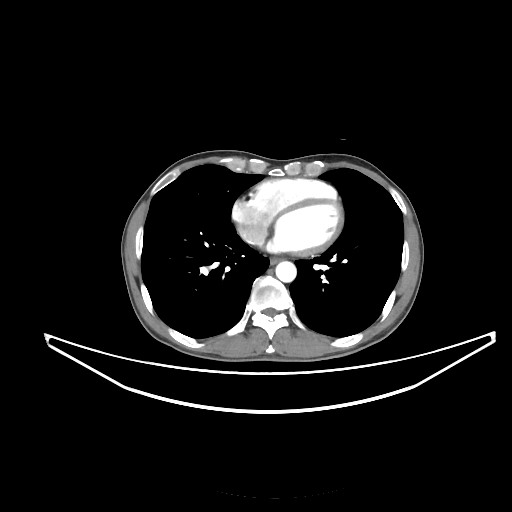

Abdominal CT; this slice is in the lower chest, just above the liver; axial view; soft-tissue window (W 400 / L 40); 512x512 px; 15 organs annotated in this scan (a whole-scan count: organs this slice does not pass through have no box)
The heart and lungs are never labeled in this dataset, so they have no box on this slice.
<organs><organ name="esophagus" x1="270" y1="258" x2="279" y2="263"/><organ name="aorta" x1="275" y1="261" x2="296" y2="282"/></organs>